Computed tomography, abdomen. axial view. soft-tissue window (W 400 / L 40). 55-year-old male patient. scan has 15 labeled organs (a whole-scan count: organs this slice does not pass through have no box)
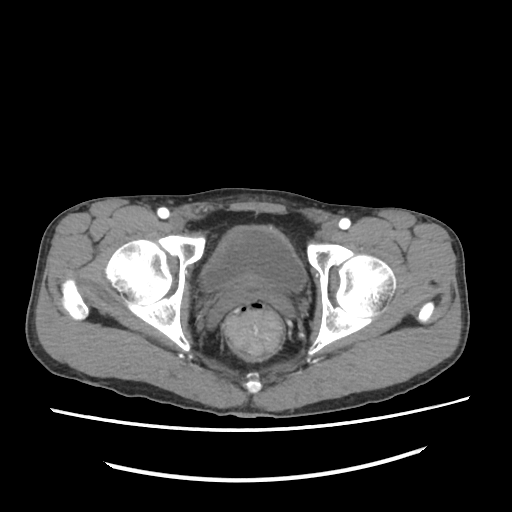
Each box given as x1,y1,x2,y2.
bladder: x1=200, y1=227, x2=305, y2=292
prostate/uterus: x1=235, y1=278, x2=274, y2=294